CT abdomen. Axial slice 60/78. soft-tissue window. 512x512 px. SOMATOM Force scanner
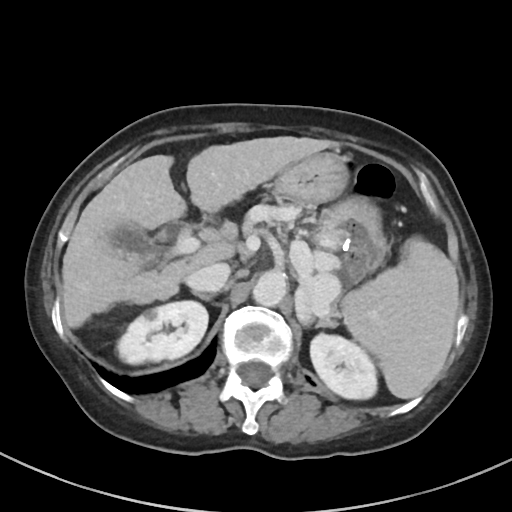

Each box given as x1,y1,x2,y2. Labeled organs on this slice: spleen at x1=343, y1=237, x2=457, y2=398, right kidney at x1=117, y1=301, x2=208, y2=364, left kidney at x1=310, y1=333, x2=377, y2=399, gall bladder at x1=110, y1=224, x2=157, y2=266, liver at x1=62, y1=136, x2=339, y2=328, stomach at x1=273, y1=152, x2=389, y2=282, aorta at x1=253, y1=270, x2=286, y2=306, inferior vena cava at x1=186, y1=262, x2=230, y2=291, pancreas at x1=303, y1=254, x2=341, y2=319, right adrenal gland at x1=193, y1=291, x2=213, y2=301, left adrenal gland at x1=315, y1=319, x2=336, y2=327.